Abdominal CT; axial view
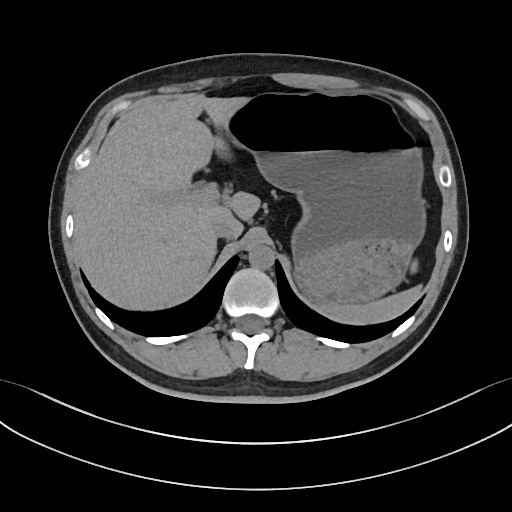
Boxes: x1 y1 x2 y2 (pixel coords, space-separated). 5 labeled organs on this slice — liver at 74 95 260 307; aorta at 248 244 274 269; stomach at 229 93 427 306; inferior vena cava at 212 219 237 239; spleen at 331 262 418 322.